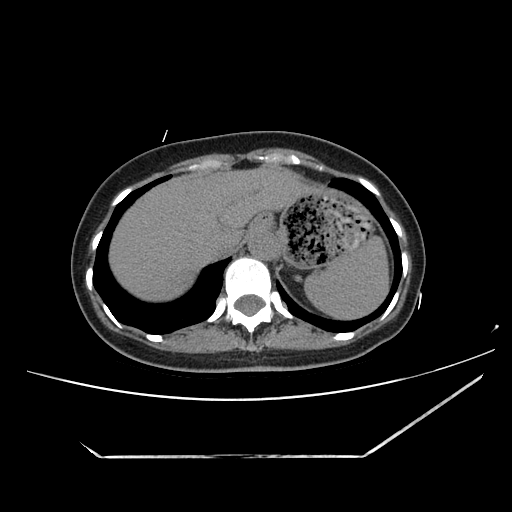 CT abdomen; axial view; 14 organs annotated in this scan (counted over the whole 3D scan, not this slice; an organ is boxed only where this slice passes through it)
Organ boxes in pixel coordinates; each row gives the top-left (x1, y1) and bottom-right (x2, y2) corners.
| organ | x1 | y1 | x2 | y2 |
|---|---|---|---|---|
| spleen | 304 | 237 | 388 | 319 |
| esophagus | 252 | 212 | 277 | 232 |
| liver | 110 | 168 | 305 | 299 |
| stomach | 277 | 184 | 369 | 268 |
| aorta | 249 | 232 | 280 | 261 |
| inferior vena cava | 206 | 233 | 240 | 258 |